CT, abdomen/pelvis; axial view; soft-tissue window; 59-year-old male patient; scan has 15 labeled organs (a whole-scan count: organs this slice does not pass through have no box)
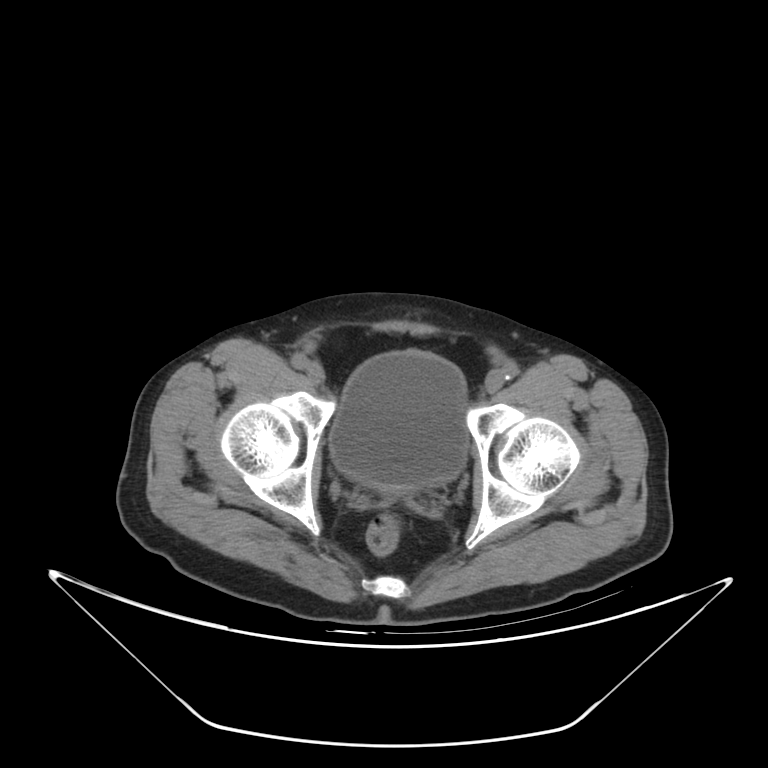

One row per box, in pixels: columns x1 and y1 give the top-left corner, x2 and y2 the bottom-right.
| organ | x1 | y1 | x2 | y2 |
|---|---|---|---|---|
| bladder | 330 | 349 | 466 | 488 |